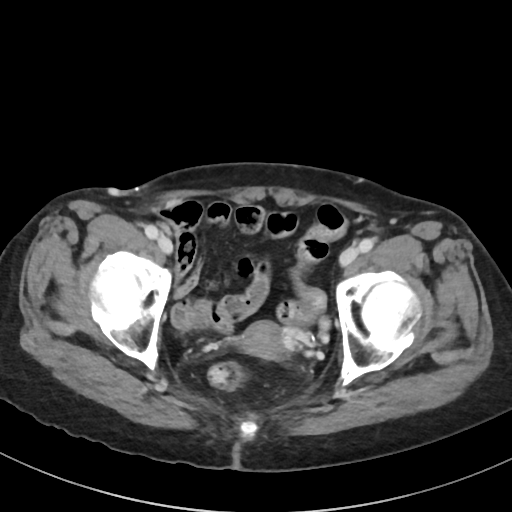
CT, abdomen/pelvis · axial view · 512x512 px · SOMATOM Force scanner
Each box given as x1,y1,x2,y2.
prostate/uterus: x1=238, y1=321, x2=285, y2=360